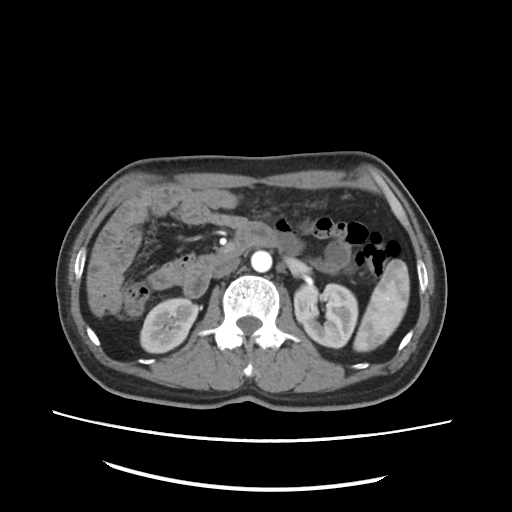 CT, abdomen/pelvis · Axial slice 64/98 · soft-tissue window · acquired on Aquilion ONE
Boxes are (x1, y1, x2, y2) in pixels.
left kidney: (294, 282, 358, 347)
inferior vena cava: (214, 256, 240, 277)
right kidney: (140, 299, 197, 352)
duodenum: (183, 223, 273, 299)
aorta: (251, 250, 272, 272)
spleen: (353, 260, 409, 352)